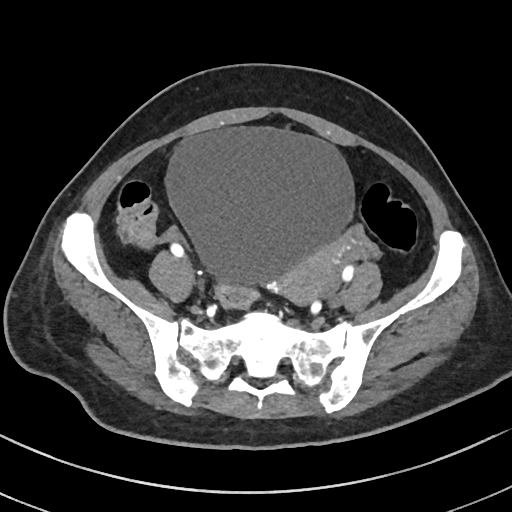
Computed tomography, abdomen. axial plane, index 61. 512x512 px. scan has 15 labeled organs (a whole-scan count: organs this slice does not pass through have no box)
<organs><organ name="prostate/uterus" x1="280" y1="250" x2="341" y2="306"/><organ name="bladder" x1="165" y1="125" x2="354" y2="285"/></organs>